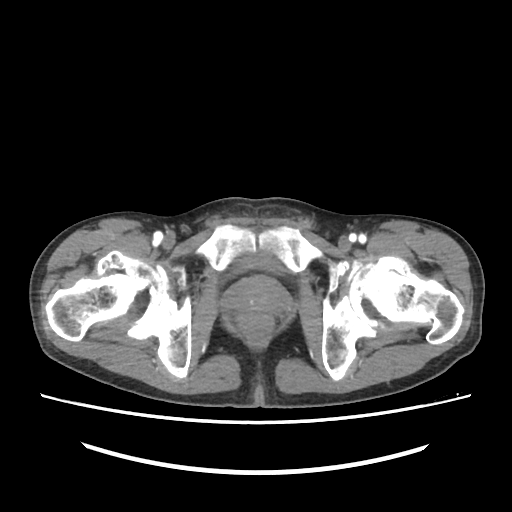
Abdominal CT. Axial slice 7/88. Aquilion ONE scanner
{"organs":{"bladder":[232,255,273,272],"prostate/uterus":[228,277,287,314]}}